CT, abdomen/pelvis. axial view
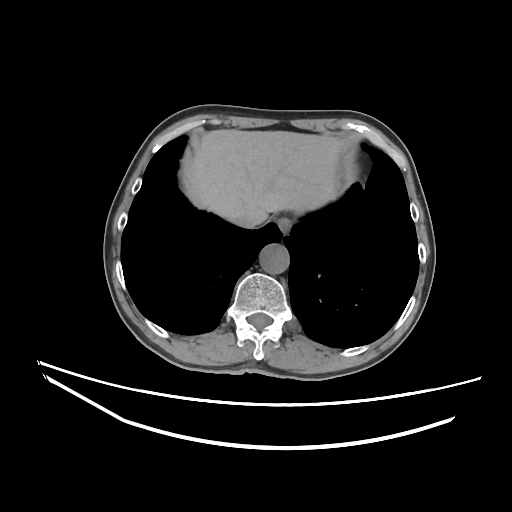 Box edges are left/top/right/bottom in pixels.
esophagus: left=278, top=218, right=292, bottom=233
liver: left=185, top=129, right=342, bottom=221
inferior vena cava: left=234, top=206, right=265, bottom=228
aorta: left=259, top=244, right=289, bottom=274